Chest-level CT slice, above the liver and spleen — axial view — soft-tissue window (W 400 / L 40) — 512x512 px
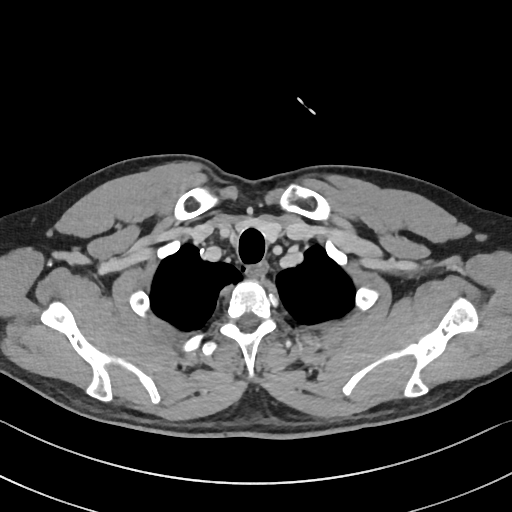

At this level of the chest no structure but the esophagus and the aorta has a label in this dataset, and those two are boxed only where they are labeled. Boxes: x1 y1 x2 y2 (pixel coords, space-separated). 1 labeled organ on this slice — esophagus at 245 262 269 279.